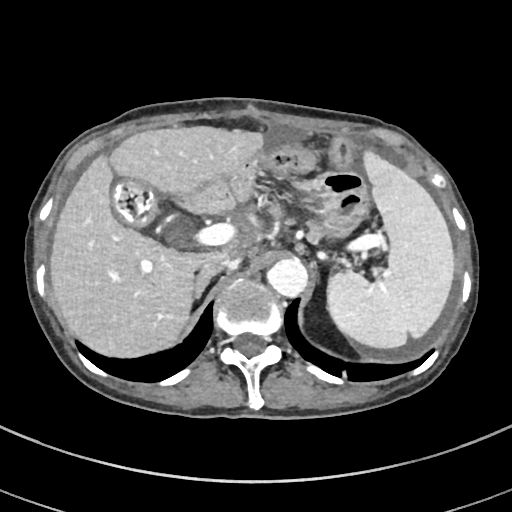
Abdominal CT; axial plane, index 145; 14 organs annotated in this scan (a whole-scan count: organs this slice does not pass through have no box)
<organs><organ name="spleen" x1="326" y1="150" x2="453" y2="348"/><organ name="gall bladder" x1="113" y1="178" x2="157" y2="226"/><organ name="liver" x1="50" y1="126" x2="263" y2="356"/><organ name="aorta" x1="267" y1="259" x2="308" y2="298"/><organ name="inferior vena cava" x1="202" y1="257" x2="240" y2="271"/><organ name="pancreas" x1="268" y1="205" x2="319" y2="243"/><organ name="right adrenal gland" x1="194" y1="264" x2="223" y2="298"/></organs>